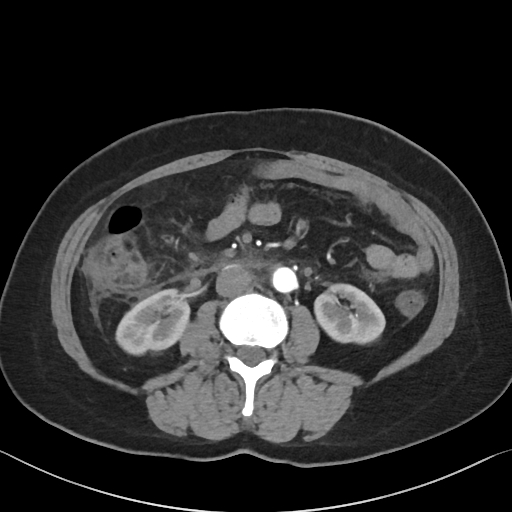
CT abdomen — Axial slice 45/88 — 512x512 px
Bounding boxes in pixels, one row per box: x1, y1 is the top-left corner and x2, y2 the bottom-right.
| organ | x1 | y1 | x2 | y2 |
|---|---|---|---|---|
| left kidney | 314 | 284 | 385 | 343 |
| right kidney | 116 | 289 | 189 | 354 |
| aorta | 272 | 267 | 297 | 292 |
| inferior vena cava | 215 | 265 | 251 | 297 |